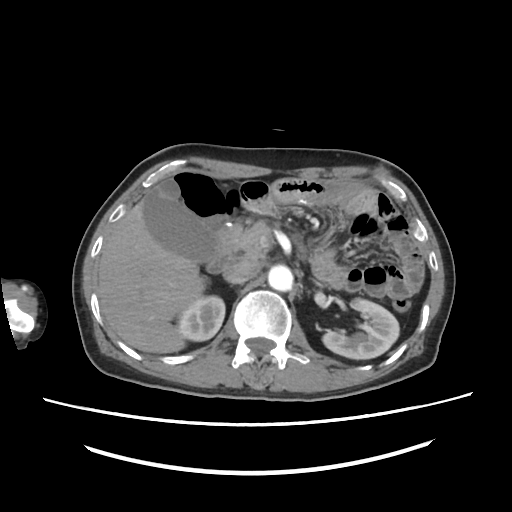

CT, abdomen/pelvis; Axial slice 73/132; W/L 400/40 HU
Box edges are left/top/right/bottom in pixels. 9 labeled organs on this slice — right kidney at left=176, top=295, right=225, bottom=341; left kidney at left=315, top=297, right=398, bottom=357; gall bladder at left=143, top=179, right=245, bottom=272; liver at left=98, top=199, right=206, bottom=354; aorta at left=269, top=264, right=294, bottom=291; inferior vena cava at left=222, top=260, right=258, bottom=283; pancreas at left=233, top=219, right=273, bottom=261; left adrenal gland at left=311, top=279, right=320, bottom=285; duodenum at left=217, top=223, right=242, bottom=255.